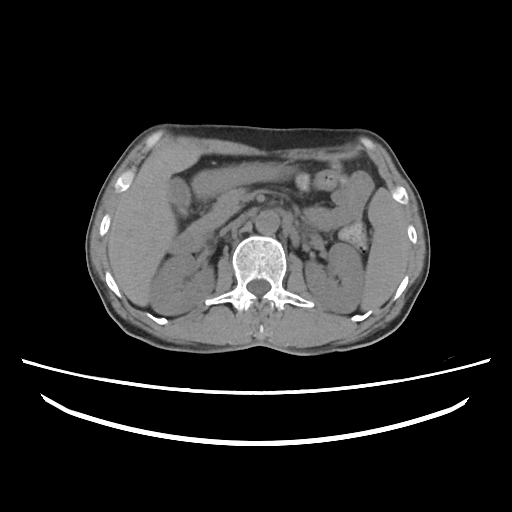 CT abdomen — axial view
Boxes: x1 y1 x2 y2 (pixel coords, space-separated).
spleen: 360 187 409 310
right kidney: 151 252 213 317
left kidney: 305 243 364 313
gall bladder: 168 177 188 215
liver: 106 148 200 306
stomach: 194 165 291 199
aorta: 256 210 280 234
inferior vena cava: 220 215 244 235
pancreas: 191 189 245 243
duodenum: 167 228 201 254